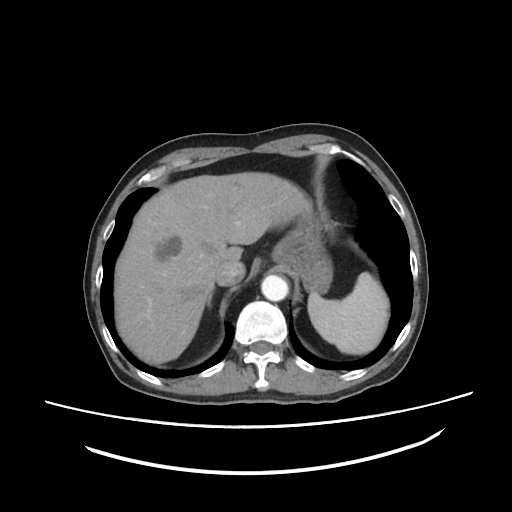
Abdominal CT; axial plane, index 76; 512x512 px; 15 organs annotated in this scan (that count is for the whole scan; organs this slice misses have no box)
{"organs":{"inferior vena cava":[216,262,245,286],"liver":[114,172,311,363],"stomach":[272,210,332,292],"right adrenal gland":[207,293,211,305],"aorta":[261,275,288,301],"spleen":[308,272,389,354]}}